CT abdomen — axial view — soft-tissue window (W 400 / L 40) — 61-year-old female patient — acquired on Aquilion ONE — scan has 14 labeled organs (a whole-scan count: organs this slice does not pass through have no box)
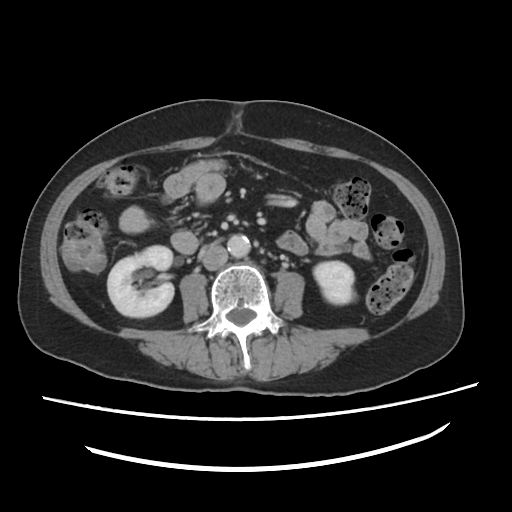

<organs><organ name="left kidney" x1="312" y1="261" x2="357" y2="304"/><organ name="right kidney" x1="107" y1="246" x2="173" y2="318"/><organ name="aorta" x1="228" y1="234" x2="250" y2="256"/><organ name="inferior vena cava" x1="201" y1="244" x2="227" y2="270"/></organs>